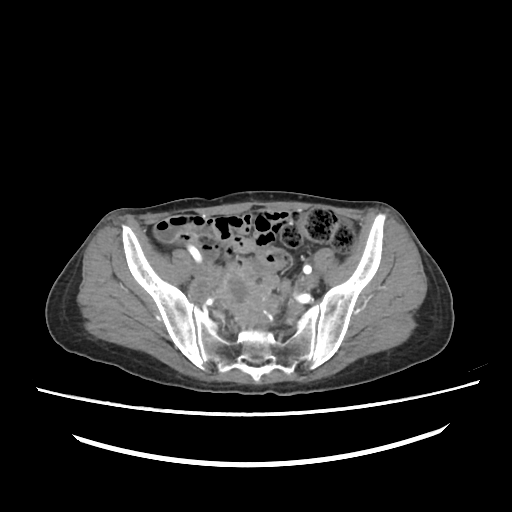 CT, abdomen/pelvis — axial plane, index 23 — 58-year-old female patient
Boxes are (x1, y1, x2, y2) in pixels.
Organ bounding boxes:
- prostate/uterus: (262, 295, 279, 319)